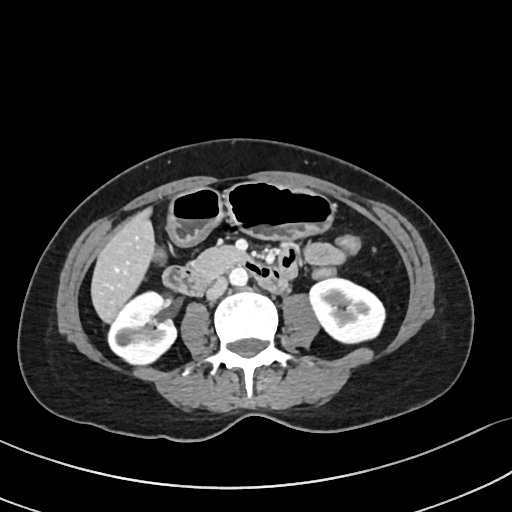
Abdominal CT. Axial slice 113/175. 512x512 px. acquired on SOMATOM Force
Bounding boxes in pixels, one row per box: x1, y1 is the top-left corner and x2, y2 the bottom-right.
| organ | x1 | y1 | x2 | y2 |
|---|---|---|---|---|
| right kidney | 109 | 292 | 176 | 365 |
| left kidney | 308 | 279 | 386 | 344 |
| liver | 90 | 206 | 154 | 324 |
| stomach | 169 | 181 | 337 | 246 |
| aorta | 229 | 268 | 248 | 287 |
| inferior vena cava | 206 | 279 | 227 | 300 |
| pancreas | 189 | 246 | 241 | 282 |
| duodenum | 161 | 248 | 295 | 295 |